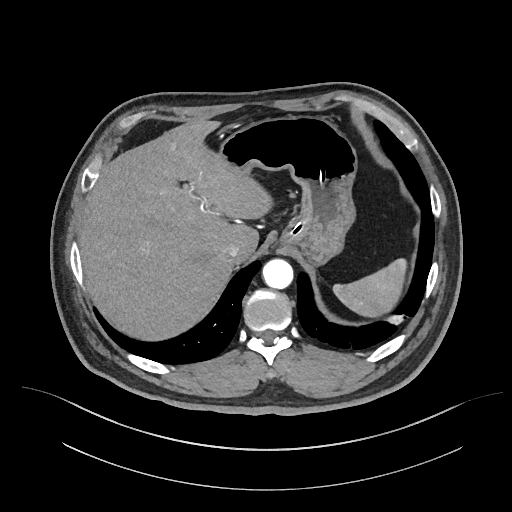
Abdominal CT · axial view · 512x512 px
{"organs":{"liver":[78,120,266,342],"stomach":[215,116,357,266],"aorta":[262,258,292,288],"spleen":[333,257,405,318],"inferior vena cava":[222,243,239,260]}}